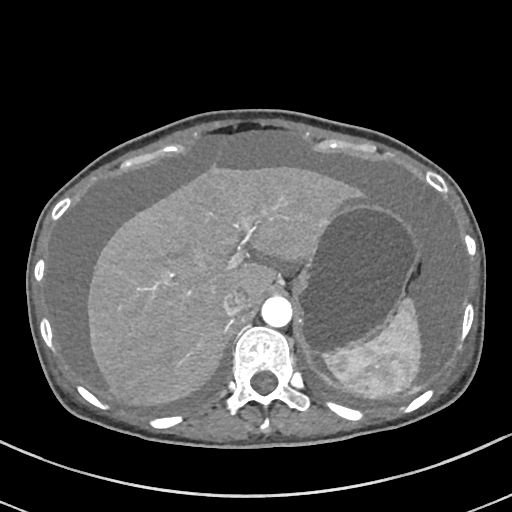

Abdominal CT; axial view; 512x512 px
Boxes: x1 y1 x2 y2 (pixel coords, space-separated).
Organ bounding boxes:
- spleen: 326 296 423 399
- liver: 87 164 358 407
- stomach: 295 196 419 356
- aorta: 261 296 291 326
- inferior vena cava: 221 289 248 316